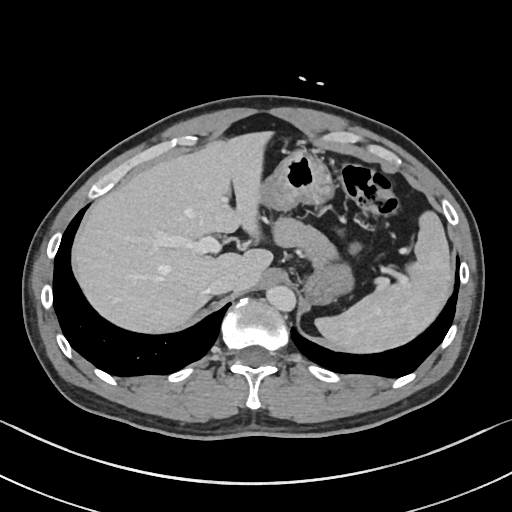

CT, abdomen/pelvis · axial view · 15 organs annotated in this scan (counted over the whole 3D scan, not this slice; an organ is boxed only where this slice passes through it)
Bounding boxes in pixels, one row per box: x1, y1 is the top-left corner and x2, y2 the bottom-right.
| organ | x1 | y1 | x2 | y2 |
|---|---|---|---|---|
| pancreas | 275 | 218 | 337 | 272 |
| spleen | 314 | 211 | 451 | 353 |
| inferior vena cava | 208 | 275 | 238 | 293 |
| liver | 70 | 131 | 274 | 334 |
| stomach | 259 | 151 | 353 | 305 |
| aorta | 266 | 284 | 295 | 311 |